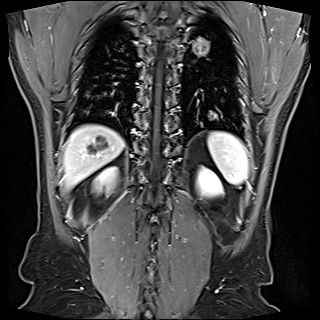 Magnetic resonance imaging, abdomen; coronal view; 1st–99th percentile window
<organs><organ name="left kidney" x1="197" y1="168" x2="226" y2="196"/><organ name="spleen" x1="208" y1="131" x2="247" y2="184"/><organ name="right kidney" x1="90" y1="168" x2="121" y2="204"/><organ name="liver" x1="63" y1="125" x2="124" y2="187"/></organs>